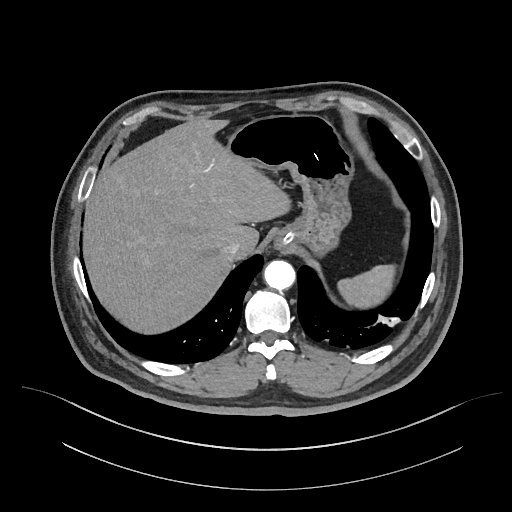
Abdominal CT. axial view. soft-tissue window
<organs><organ name="stomach" x1="227" y1="114" x2="352" y2="251"/><organ name="inferior vena cava" x1="222" y1="238" x2="241" y2="257"/><organ name="esophagus" x1="272" y1="242" x2="287" y2="250"/><organ name="liver" x1="85" y1="118" x2="288" y2="332"/><organ name="spleen" x1="337" y1="264" x2="393" y2="307"/><organ name="aorta" x1="264" y1="261" x2="295" y2="289"/></organs>